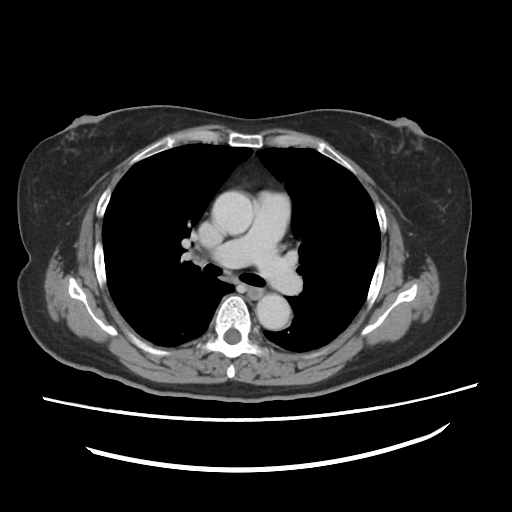 Chest-level CT slice, above the liver and spleen; axial view; W/L 400/40 HU; 61-year-old female patient
At this level of the chest no structure but the esophagus and the aorta has a label in this dataset, and those two are boxed only where they are labeled.
<organs><organ name="esophagus" x1="247" y1="286" x2="263" y2="299"/><organ name="aorta" x1="212" y1="192" x2="254" y2="237"/><organ name="aorta" x1="253" y1="294" x2="291" y2="332"/></organs>